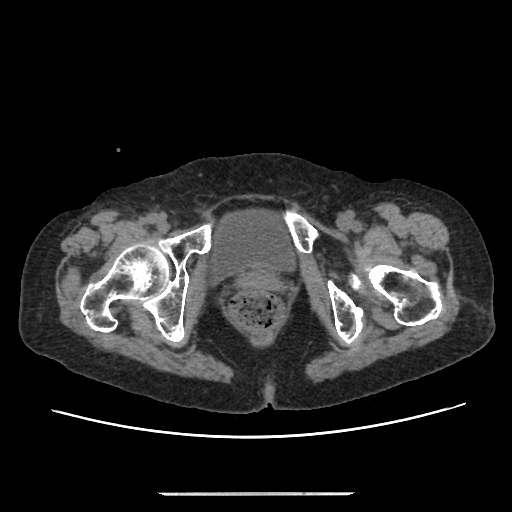 CT, abdomen/pelvis — axial view
Box edges are left/top/right/bottom in pixels.
Organ bounding boxes:
- bladder: left=209, top=208, right=296, bottom=283
- prostate/uterus: left=245, top=269, right=273, bottom=286